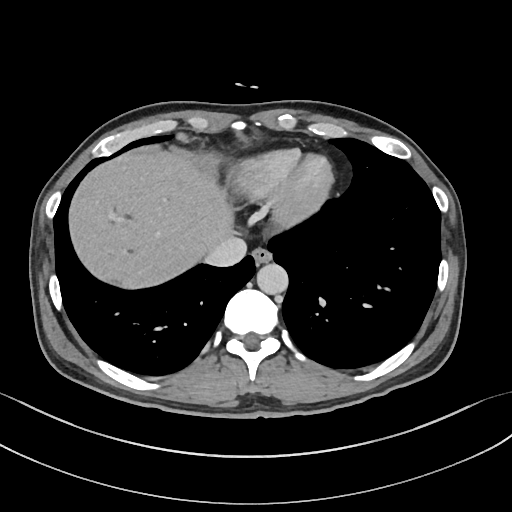
Computed tomography, abdomen · axial view · soft-tissue window
{"organs":{"esophagus":[252,248,272,266],"liver":[70,151,233,289],"aorta":[257,264,289,294],"inferior vena cava":[205,236,247,266]}}